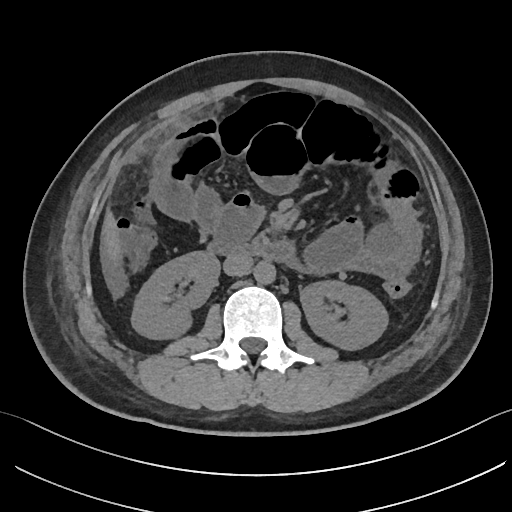

Abdominal CT — Axial slice 141/234 — 512x512 px — acquired on SOMATOM Force
Bounding boxes as [x1, y1, x2, y2] in pixel coordinates. Labeled organs on this slice: right kidney at [131, 251, 219, 339], left kidney at [300, 280, 388, 350], liver at [101, 209, 121, 263], aorta at [253, 261, 276, 284], inferior vena cava at [223, 254, 253, 276], duodenum at [207, 239, 296, 266].